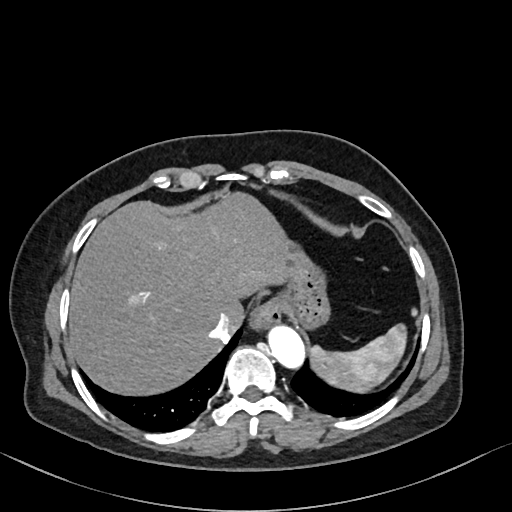 CT abdomen; axial view; 512x512 px; scan has 15 labeled organs (counted over the whole 3D scan, not this slice; an organ is boxed only where this slice passes through it)
{"organs":{"spleen":[309,324,405,391],"esophagus":[249,302,280,333],"liver":[70,194,305,394],"stomach":[283,261,328,326],"aorta":[267,324,306,370],"inferior vena cava":[211,313,236,340]}}